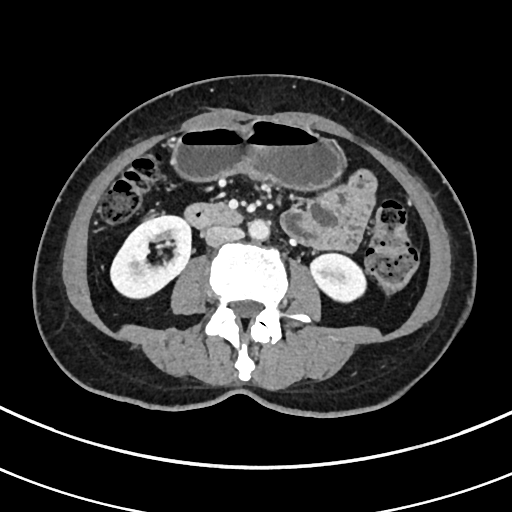
Computed tomography, abdomen — axial plane, index 105 — soft-tissue window — 512x512 px — acquired on SOMATOM Force — scan has 15 labeled organs (counted over the whole 3D scan, not this slice; an organ is boxed only where this slice passes through it)
Coordinates as <box>x1,y1,x2,y2</box> in pixels.
Organ bounding boxes:
- right kidney: <box>110,215,191,298</box>
- left kidney: <box>310,253,365,301</box>
- stomach: <box>172,119,343,190</box>
- aorta: <box>248,219,269,240</box>
- inferior vena cava: <box>205,225,243,246</box>
- duodenum: <box>184,203,242,228</box>